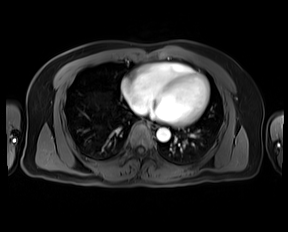

Lower-chest slice from an abdominal MRI, just above the liver and spleen — Axial slice 68/72 — scan has 13 labeled organs (a whole-scan count: organs this slice does not pass through have no box)
The heart and lungs are never labeled in this dataset, so they have no box on this slice.
{"organs":{"esophagus":[150,122,157,128],"aorta":[156,128,170,141],"inferior vena cava":[133,105,146,114]}}